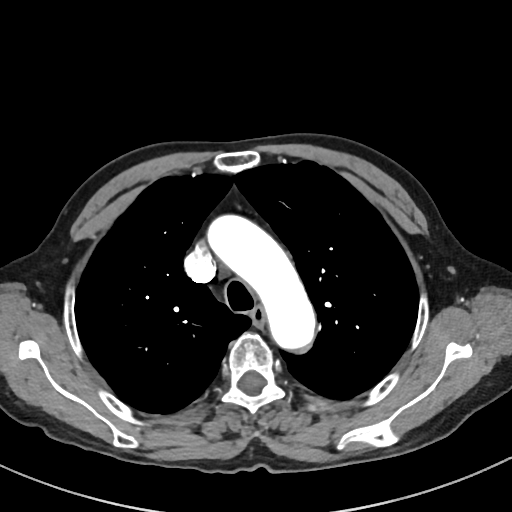

Chest-level slice from an abdominal CT that extends up into the chest. axial view
At this level of the chest this dataset labels only the esophagus and the aorta, and each is boxed only where it is labeled; the heart and lungs are never labeled. Bounding boxes as [x1, y1, x2, y2] in pixel coordinates. 2 labeled organs on this slice — esophagus at [251, 307, 266, 325]; aorta at [207, 214, 315, 349].